Lower-chest slice from an abdominal CT, just above the liver and spleen · axial view · soft-tissue window, W/L 400/40
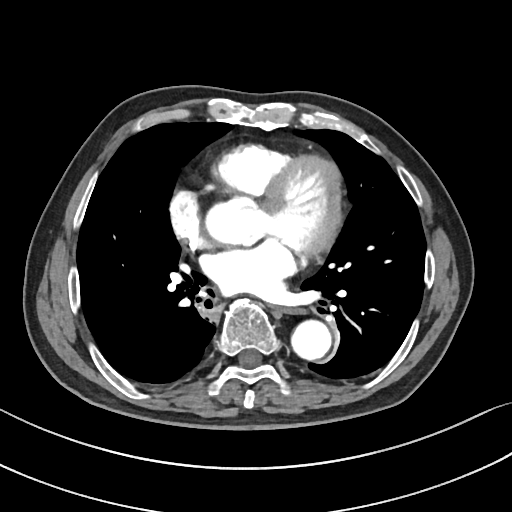

Of the structures in the chest, this dataset labels only the esophagus, the aorta and the inferior vena cava; the heart and lungs have no label.
{"organs":{"esophagus":[276,307,298,313],"aorta":[291,319,331,359]}}